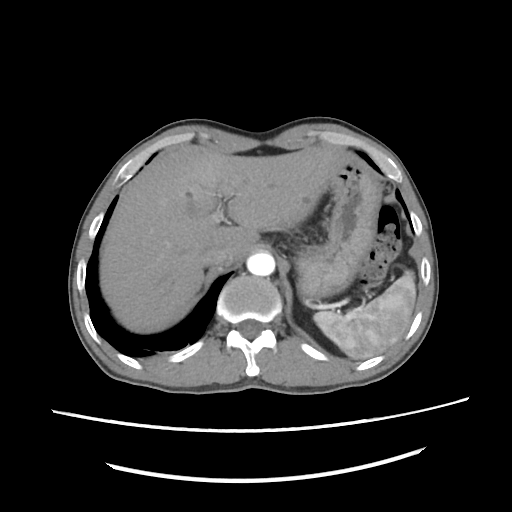 CT abdomen. axial plane, index 76. 55-year-old male patient. 15 organs annotated in this scan (that count is for the whole scan; organs this slice misses have no box)
<organs><organ name="liver" x1="99" y1="142" x2="348" y2="333"/><organ name="stomach" x1="295" y1="158" x2="382" y2="299"/><organ name="inferior vena cava" x1="201" y1="246" x2="234" y2="268"/><organ name="spleen" x1="312" y1="271" x2="415" y2="358"/><organ name="aorta" x1="247" y1="252" x2="275" y2="276"/></organs>